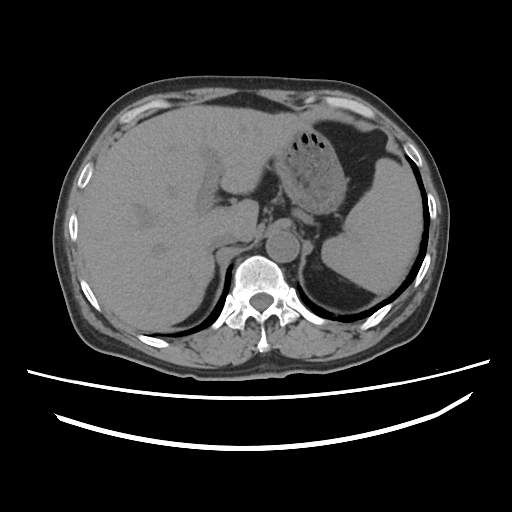
Computed tomography, abdomen — Axial slice 83/95 — soft-tissue window (W 400 / L 40)
Each box given as x1,y1,x2,y2. The annotated organs in this slice are: spleen at x1=322, y1=158, x2=422, y2=294, liver at x1=79, y1=105, x2=306, y2=331, stomach at x1=273, y1=127, x2=347, y2=214, aorta at x1=266, y1=230, x2=299, y2=262, inferior vena cava at x1=208, y1=231, x2=236, y2=251.